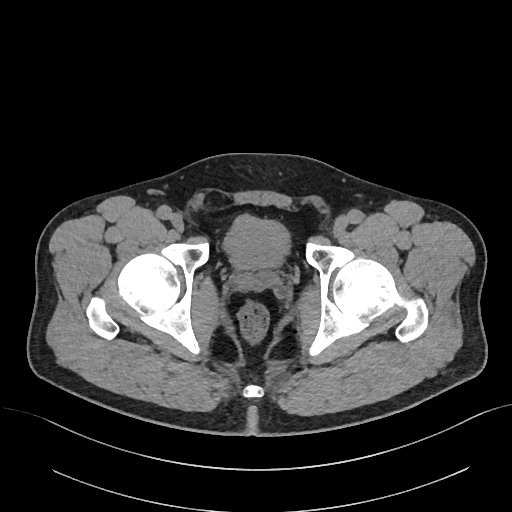

CT, abdomen/pelvis — axial plane, index 34
Organ boxes in pixel coordinates; each row gives the top-left (x1, y1) and bottom-right (x2, y2) corners.
| organ | x1 | y1 | x2 | y2 |
|---|---|---|---|---|
| bladder | 224 | 214 | 288 | 269 |
| prostate/uterus | 235 | 269 | 277 | 291 |